CT, abdomen/pelvis; axial view; soft-tissue window (W 400 / L 40); 512x512 px; acquired on SOMATOM Force; 15 organs annotated in this scan (a whole-scan count: organs this slice does not pass through have no box)
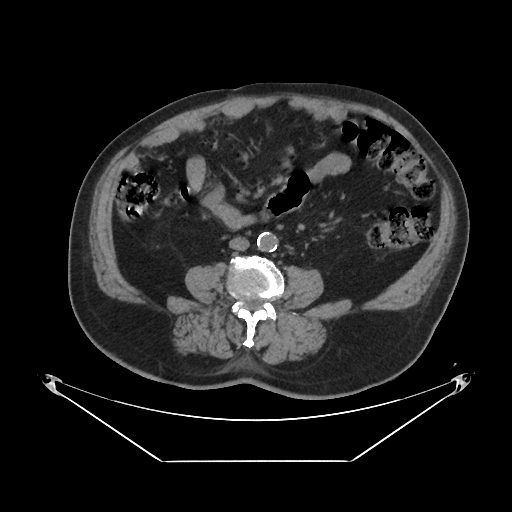
Boxes: x1:y1:x2:y2 in pixels.
aorta: 257:232:278:251
inferior vena cava: 229:236:249:250